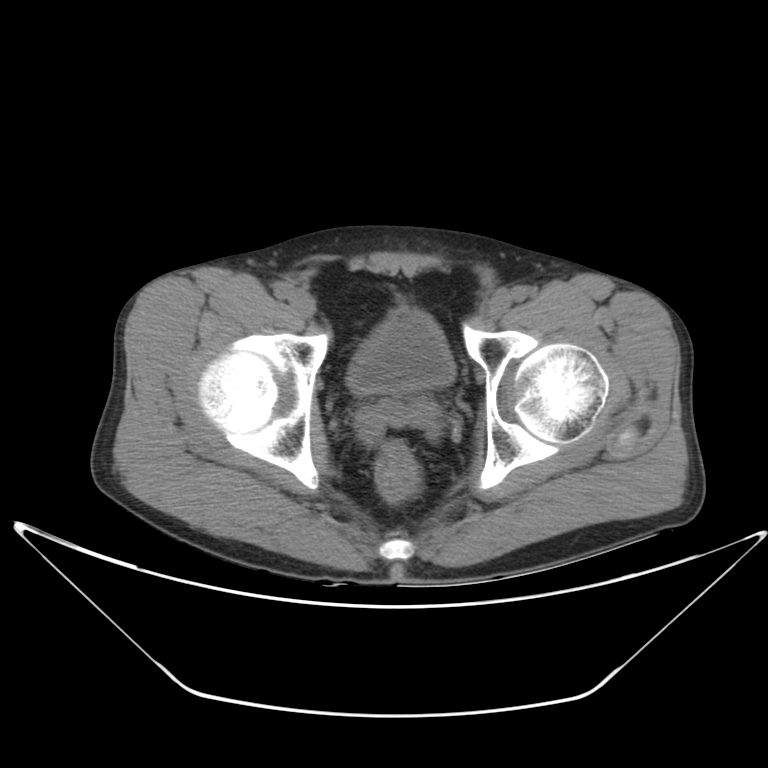

Computed tomography, abdomen — axial view — 768x768 px
{"organs":{"bladder":[347,305,455,393]}}